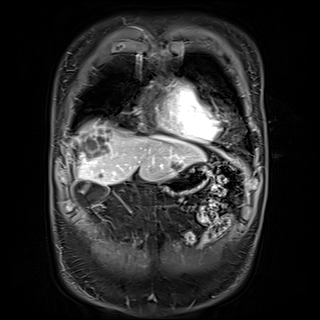 Magnetic resonance imaging, abdomen — coronal view — Prisma scanner
Boxes are (x1, y1, x2, y2) in pixels.
Organ bounding boxes:
- gall bladder: (73, 180, 89, 201)
- liver: (69, 118, 205, 185)
- stomach: (160, 163, 210, 194)